CT, abdomen/pelvis; axial view; abdomen soft-tissue window; 768x768 px; 56-year-old female patient
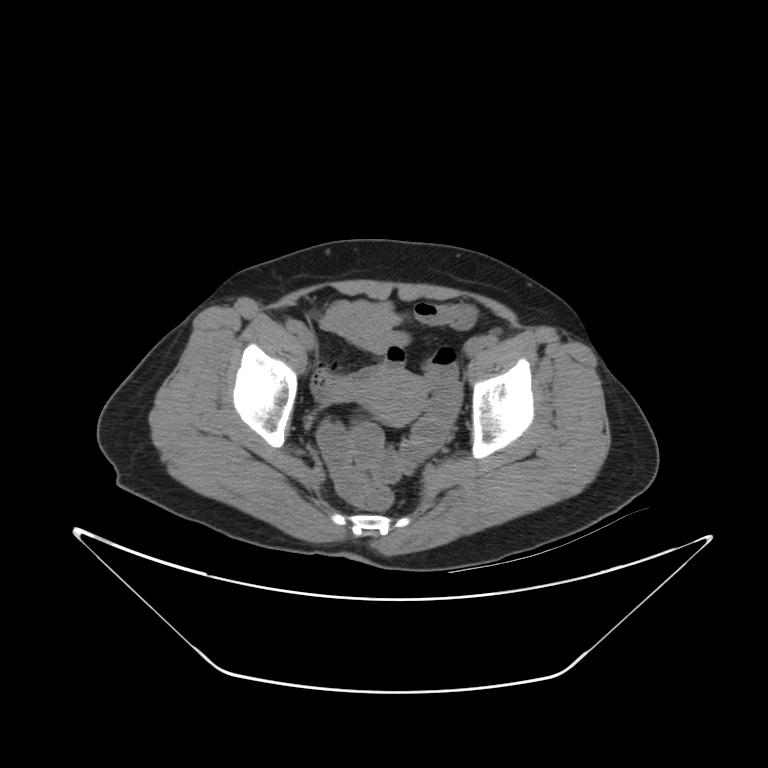

<organs><organ name="prostate/uterus" x1="359" y1="369" x2="428" y2="422"/></organs>